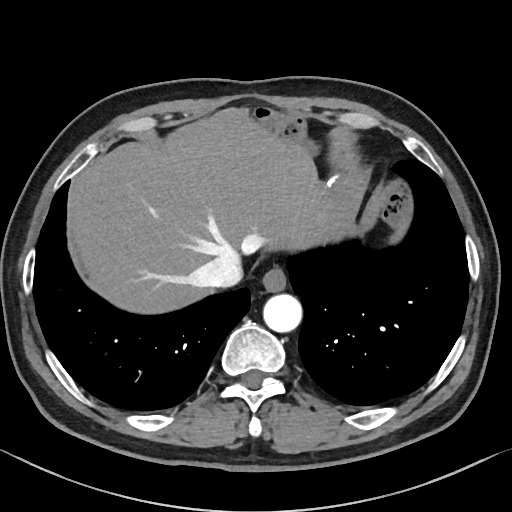 Abdominal CT — axial view — soft-tissue window (W 400 / L 40) — 512x512 px — scan has 15 labeled organs (a whole-scan count: organs this slice does not pass through have no box)
{"organs":{"esophagus":[261,268,286,292],"liver":[73,108,351,313],"stomach":[327,172,367,217],"aorta":[263,294,302,332],"inferior vena cava":[196,251,243,286]}}